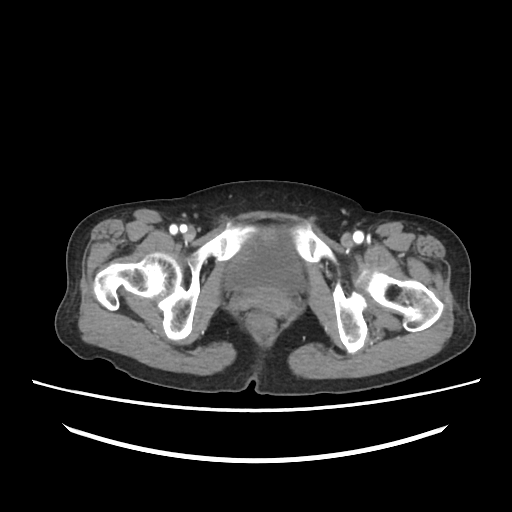

CT, abdomen/pelvis — axial view — W/L 400/40 HU
{"organs":{"prostate/uterus":[244,291,290,314],"bladder":[226,234,304,291]}}